Abdominal CT · axial view · 512x512 px · 15 organs annotated in this scan (a whole-scan count: organs this slice does not pass through have no box)
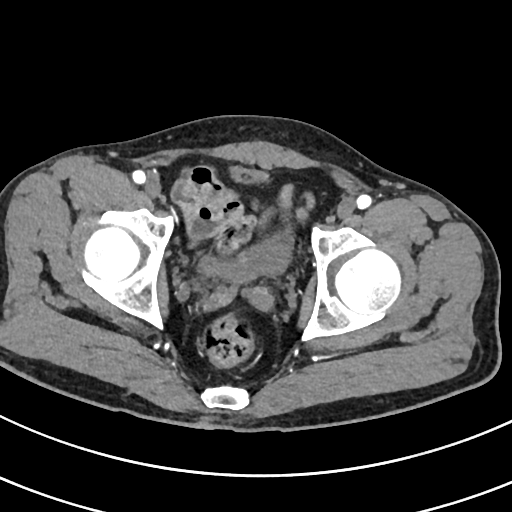 Bounding boxes as [x1, y1, x2, y2] in pixel coordinates.
Organ bounding boxes:
- bladder: [200, 165, 293, 278]